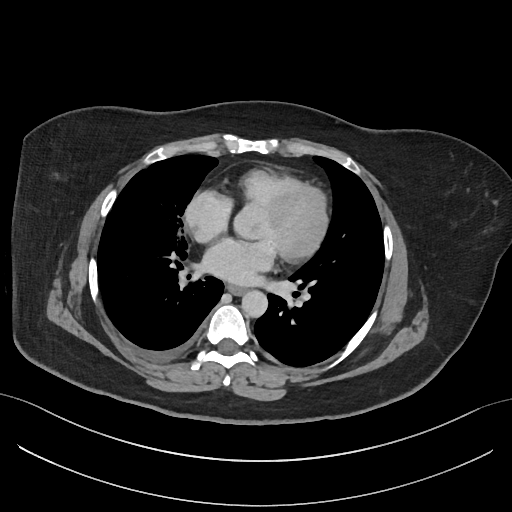

Lower-chest slice from an abdominal CT, just above the liver and spleen — axial view — soft-tissue window (W 400 / L 40)
The heart and lungs are never labeled in this dataset, so they have no box on this slice.
Each box given as x1,y1,x2,y2.
Organ bounding boxes:
- aorta: x1=241, y1=290, x2=267, y2=317
- esophagus: x1=227, y1=285, x2=246, y2=295